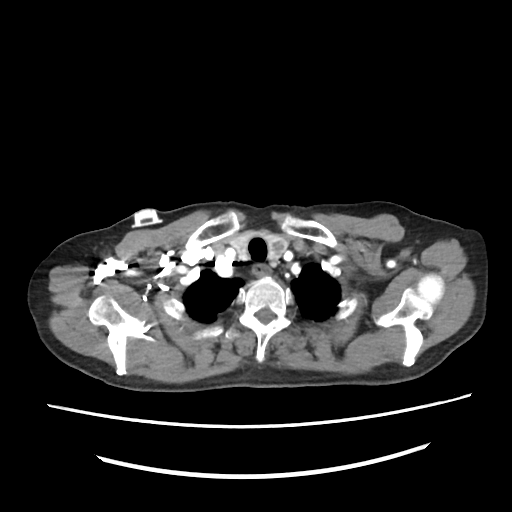 Abdominal CT reaching into the chest; this slice is in the chest · axial view · 512x512 px · 67-year-old male patient
On a slice this high in the chest, this dataset labels only the esophagus and the aorta, and each is boxed only where it is labeled; the heart, lungs and other chest structures are not labeled. Boxes: x1:y1:x2:y2 in pixels. 1 labeled organ on this slice — esophagus at 252:264:270:276.